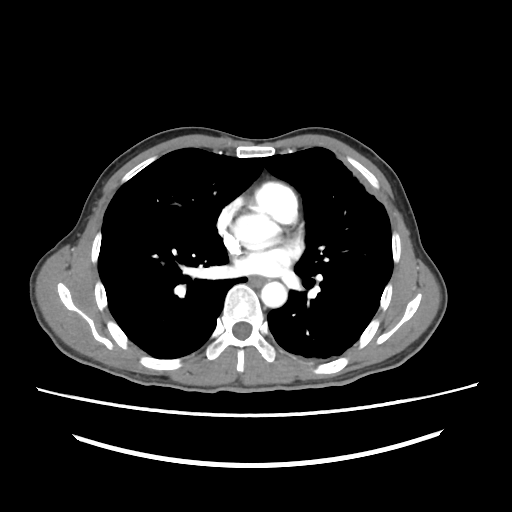

Abdominal CT reaching into the chest; this slice is in the chest — axial plane, index 60 — soft-tissue window — 512x512 px — 13 organs annotated in this scan (a whole-scan count: organs this slice does not pass through have no box)
On a slice this high in the chest, this dataset labels only the esophagus and the aorta, and each is boxed only where it is labeled; the heart, lungs and other chest structures are not labeled.
Each box given as x1,y1,x2,y2.
aorta: x1=233, y1=215, x2=279, y2=250
aorta: x1=260, y1=280, x2=286, y2=306
esophagus: x1=249, y1=276, x2=268, y2=285